Chest-level slice from an abdominal CT that extends up into the chest · axial view · soft-tissue window (W 400 / L 40) · 512x512 px
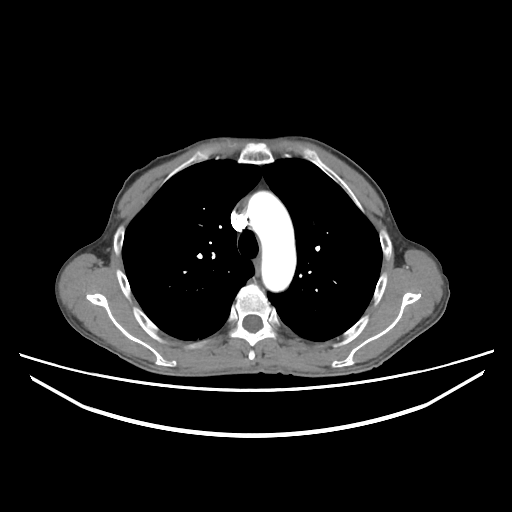 On a slice this high in the chest, this dataset labels only the esophagus and the aorta, and each is boxed only where it is labeled; the heart, lungs and other chest structures are not labeled.
{"organs":{"aorta":[247,191,296,291],"esophagus":[254,258,260,276]}}